Computed tomography, abdomen — axial plane, index 52
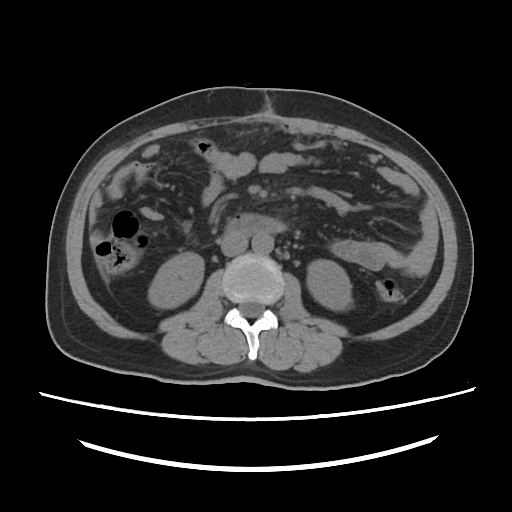 {"organs":{"right kidney":[148,252,203,308],"left kidney":[307,259,351,310],"aorta":[252,234,273,254],"inferior vena cava":[220,234,247,256],"duodenum":[226,214,285,236]}}